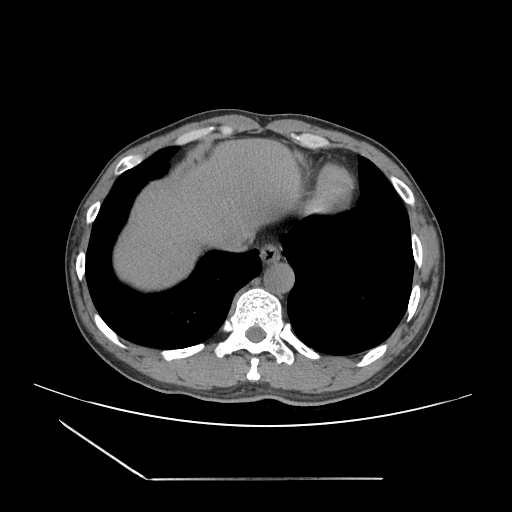

CT abdomen; axial plane, index 162; abdomen soft-tissue window; acquired on SOMATOM Force; 15 organs annotated in this scan (a whole-scan count: organs this slice does not pass through have no box)
<organs><organ name="esophagus" x1="259" y1="243" x2="280" y2="263"/><organ name="liver" x1="112" y1="137" x2="302" y2="287"/><organ name="aorta" x1="263" y1="262" x2="293" y2="294"/><organ name="inferior vena cava" x1="216" y1="231" x2="248" y2="252"/></organs>